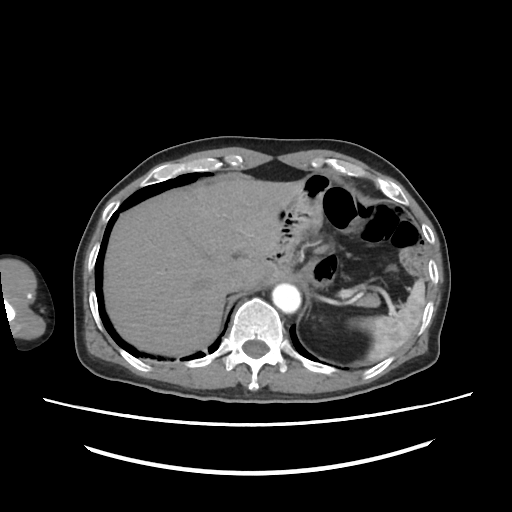
Computed tomography, abdomen — Axial slice 84/132 — soft-tissue window — 512x512 px — 61-year-old male patient — Aquilion ONE scanner
Bounding boxes as [x1, y1, x2, y2] in pixel coordinates.
spleen: [347, 279, 425, 359]
left kidney: [321, 323, 329, 331]
liver: [104, 180, 303, 355]
aorta: [272, 284, 301, 311]
inferior vena cava: [226, 273, 244, 291]
pancreas: [354, 294, 379, 306]